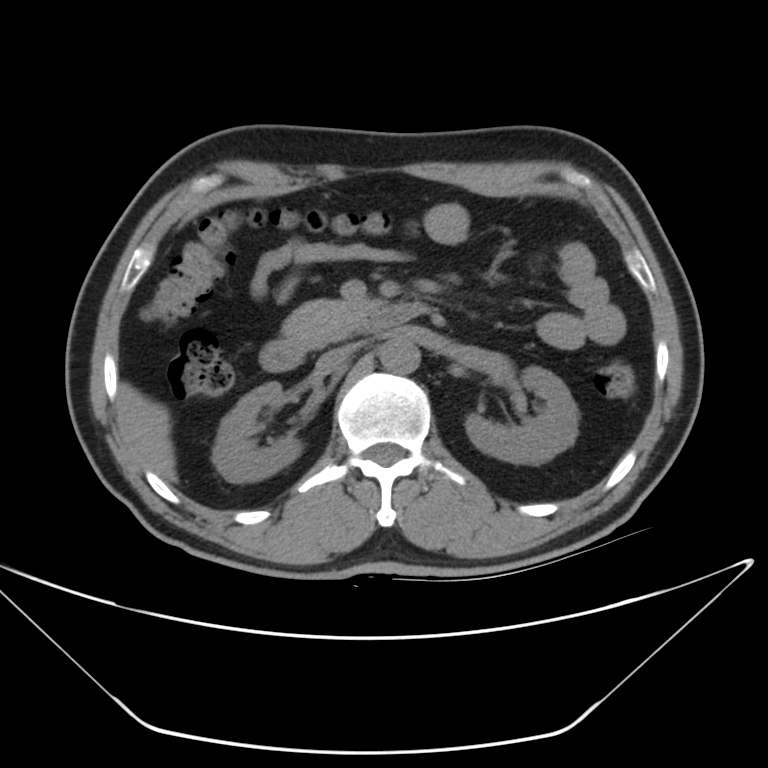

Computed tomography, abdomen. Axial slice 76/112. 768x768 px
Organ boxes in pixel coordinates; each row gives the top-left (x1, y1) and bottom-right (x2, y2) corners.
| organ | x1 | y1 | x2 | y2 |
|---|---|---|---|---|
| right kidney | 215 | 382 | 305 | 481 |
| left kidney | 465 | 368 | 578 | 463 |
| liver | 121 | 385 | 177 | 481 |
| aorta | 380 | 334 | 419 | 373 |
| inferior vena cava | 318 | 345 | 354 | 373 |
| pancreas | 284 | 299 | 385 | 348 |
| duodenum | 260 | 303 | 433 | 370 |